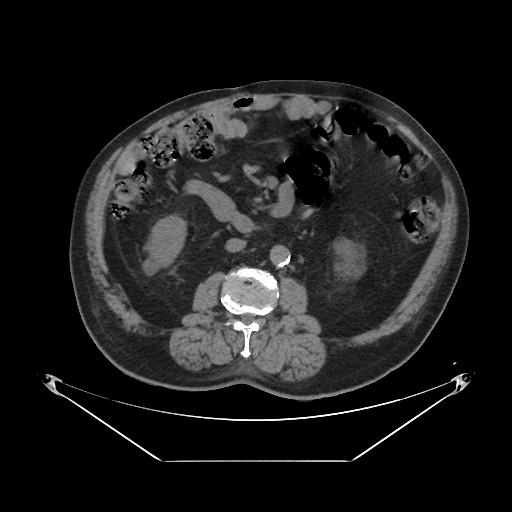 Computed tomography, abdomen · axial view
Coordinates as <box>x1,y1,x2,y2</box> in pixels.
right kidney: <box>150,215,187,266</box>
left kidney: <box>339,241,358,282</box>
aorta: <box>270,246,290,268</box>
inferior vena cava: <box>225,238,245,251</box>
duodenum: <box>185,180,255,231</box>